CT, abdomen/pelvis. axial view. acquired on SOMATOM Force. scan has 14 labeled organs (that count is for the whole scan; organs this slice misses have no box)
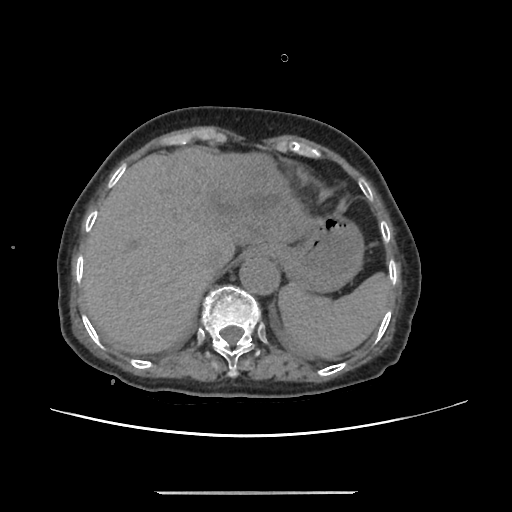
{"organs":{"aorta":[238,256,278,294],"esophagus":[246,248,262,258],"spleen":[278,271,393,360],"liver":[80,146,316,354],"stomach":[259,210,365,291],"inferior vena cava":[203,248,227,273]}}